Computed tomography, abdomen — axial view — 39-year-old female patient
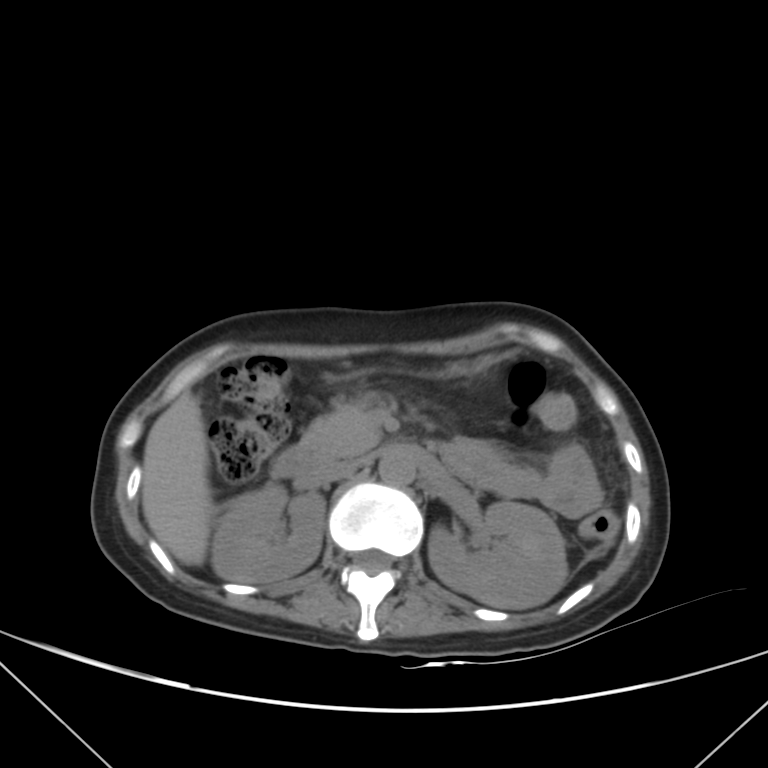

{"organs":{"right kidney":[211,484,324,581],"left kidney":[428,501,567,608],"liver":[140,391,212,564],"stomach":[472,364,481,371],"aorta":[379,450,415,484],"inferior vena cava":[315,460,359,481],"pancreas":[298,396,380,459],"duodenum":[271,447,320,478]}}